Abdominal CT — Axial slice 46/121 — soft-tissue window — 15 organs annotated in this scan (that count is for the whole scan; organs this slice misses have no box)
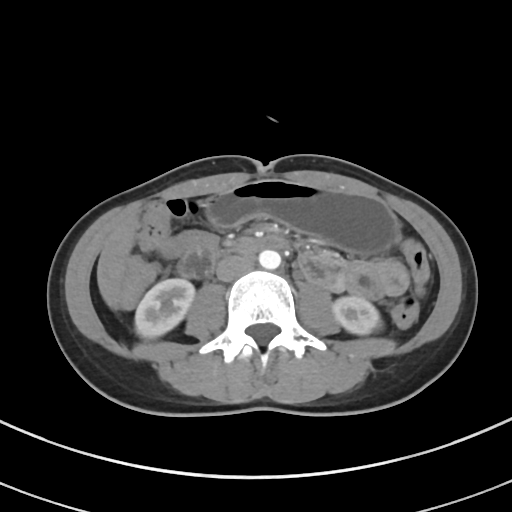 Each box given as x1,y1,x2,y2.
Organ bounding boxes:
- aorta: x1=259, y1=250, x2=280, y2=269
- liver: x1=97, y1=216, x2=139, y2=308
- right kidney: x1=135, y1=278, x2=194, y2=338
- stomach: x1=205, y1=179, x2=398, y2=254
- duodenum: x1=178, y1=245, x2=217, y2=278
- left kidney: x1=332, y1=296, x2=381, y2=334
- inferior vena cava: x1=216, y1=255, x2=253, y2=281